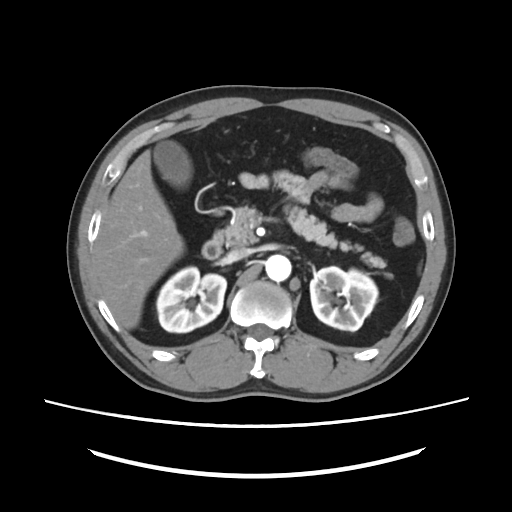
Computed tomography, abdomen · Axial slice 76/134 · W/L 400/40 HU · 46-year-old male patient · Aquilion ONE scanner · 15 organs annotated in this scan (that count is for the whole scan; organs this slice misses have no box)
Coordinates as <box>x1,y1,x2,y2</box> in pixels.
right kidney: <box>156,266,226,332</box>
left kidney: <box>310,266,377,331</box>
gall bladder: <box>153,140,192,188</box>
liver: <box>94,150,183,328</box>
aorta: <box>265,254,291,282</box>
inferior vena cava: <box>227,247,250,261</box>
pancreas: <box>215,205,391,277</box>
duodenum: <box>202,235,221,259</box>